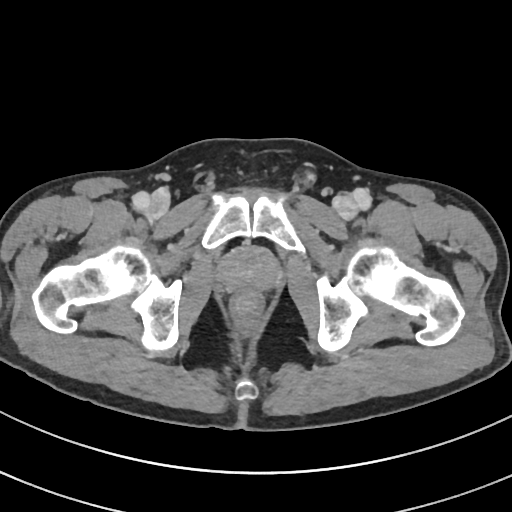
CT abdomen · axial view · soft-tissue window
Coordinates as <box>x1,y1,x2,y2</box> in pixels.
Organ bounding boxes:
- prostate/uterus: <box>221,249,277,289</box>